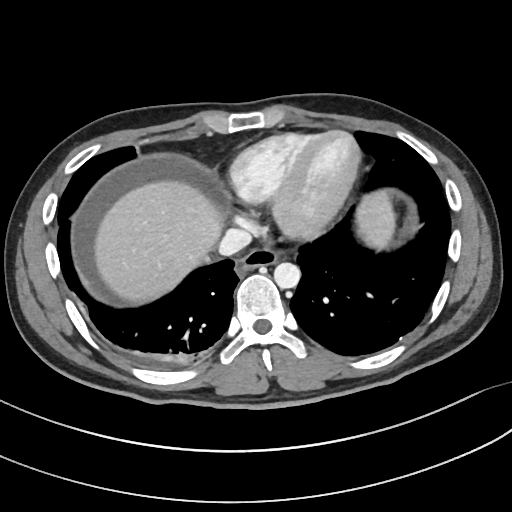

Abdominal CT; axial view; soft-tissue window; 512x512 px
<organs><organ name="inferior vena cava" x1="218" y1="228" x2="251" y2="255"/><organ name="esophagus" x1="236" y1="247" x2="276" y2="274"/><organ name="aorta" x1="273" y1="262" x2="300" y2="288"/><organ name="liver" x1="93" y1="180" x2="393" y2="304"/></organs>